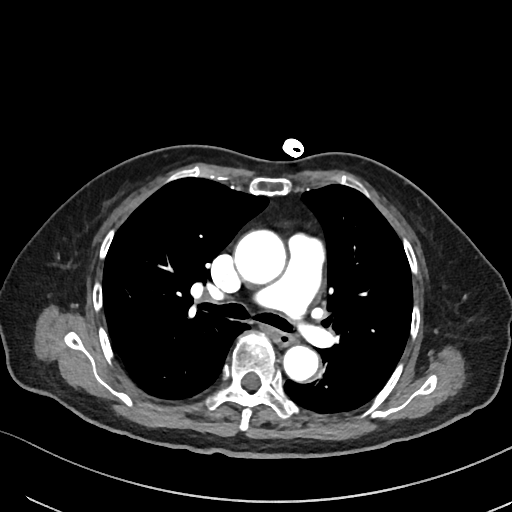

Chest-level slice from an abdominal CT that extends up into the chest; axial view; soft-tissue window, W/L 400/40
At this level of the chest this dataset labels only the esophagus and the aorta, and each is boxed only where it is labeled; the heart and lungs are never labeled.
Boxes: x1:y1:x2:y2 in pixels.
esophagus: 272:330:293:345
aorta: 234:229:285:283
aorta: 282:344:318:381